CT, abdomen/pelvis · axial view · soft-tissue window · 512x512 px
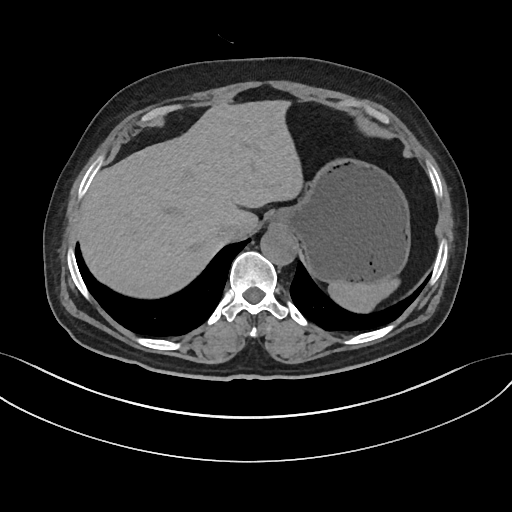
<organs><organ name="aorta" x1="261" y1="228" x2="295" y2="265"/><organ name="liver" x1="75" y1="100" x2="303" y2="298"/><organ name="inferior vena cava" x1="216" y1="219" x2="242" y2="241"/><organ name="stomach" x1="272" y1="158" x2="410" y2="282"/><organ name="spleen" x1="328" y1="278" x2="399" y2="312"/></organs>